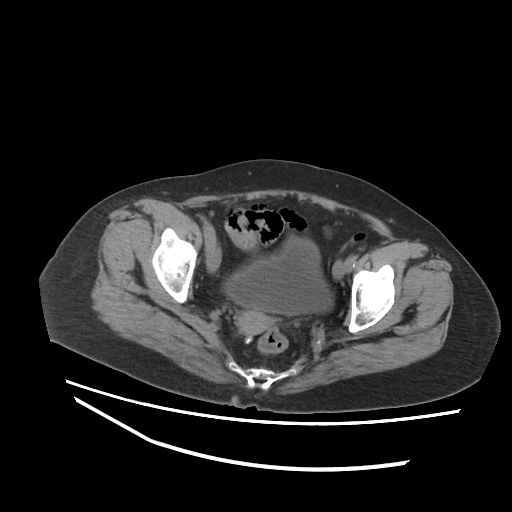
CT, abdomen/pelvis. axial plane, index 17. soft-tissue window (W 400 / L 40)
Boxes: x1 y1 x2 y2 (pixel coords, space-separated).
bladder: 223 237 333 314
prostate/uterus: 237 310 273 334